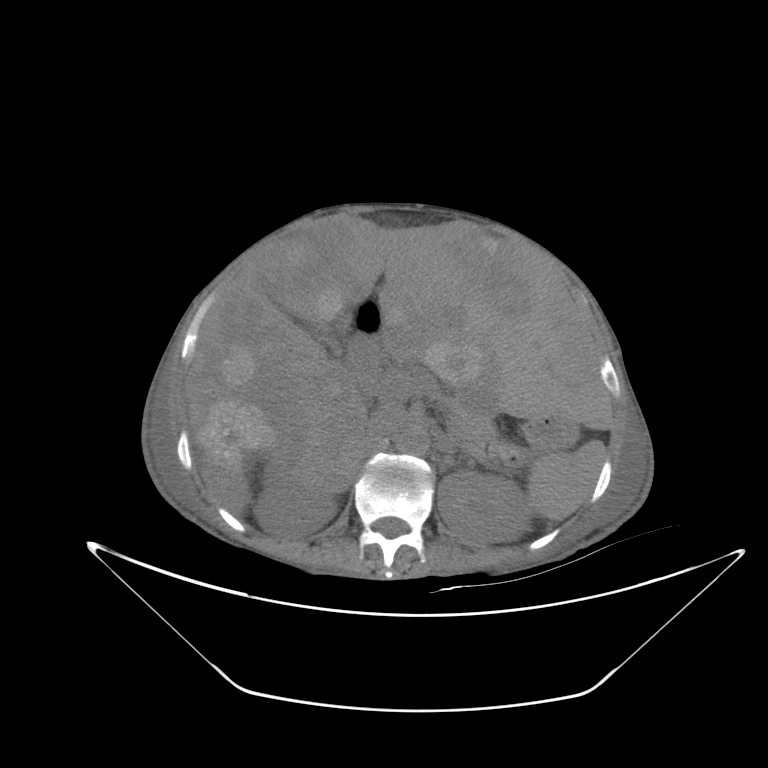 Abdominal CT · axial view · 768x768 px · 56-year-old male patient
<organs><organ name="spleen" x1="528" y1="441" x2="602" y2="520"/><organ name="right kidney" x1="254" y1="481" x2="336" y2="533"/><organ name="left kidney" x1="438" y1="472" x2="530" y2="543"/><organ name="gall bladder" x1="322" y1="335" x2="342" y2="355"/><organ name="liver" x1="185" y1="217" x2="611" y2="514"/><organ name="stomach" x1="524" y1="418" x2="577" y2="450"/><organ name="aorta" x1="395" y1="425" x2="429" y2="455"/><organ name="inferior vena cava" x1="362" y1="408" x2="402" y2="448"/><organ name="pancreas" x1="412" y1="375" x2="528" y2="466"/><organ name="duodenum" x1="351" y1="336" x2="385" y2="371"/></organs>